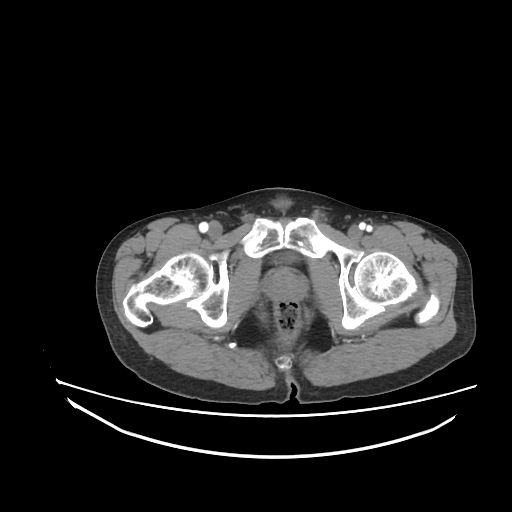 CT abdomen — axial view — soft-tissue window (W 400 / L 40) — 512x512 px — 15 organs annotated in this scan (a whole-scan count: organs this slice does not pass through have no box)
<organs><organ name="prostate/uterus" x1="264" y1="269" x2="305" y2="300"/></organs>